Abdominal MRI · axial plane, index 18 · percentile-normalized · 576x468 px
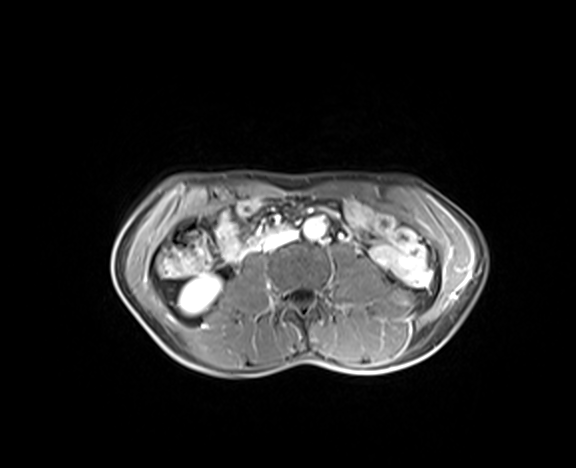

Bounding boxes as [x1, y1, x2, y2] in pixel coordinates. Labeled organs on this slice: right kidney at [179, 275, 221, 314], aorta at [303, 217, 325, 239], inferior vena cava at [262, 229, 297, 250], duodenum at [249, 225, 288, 244].